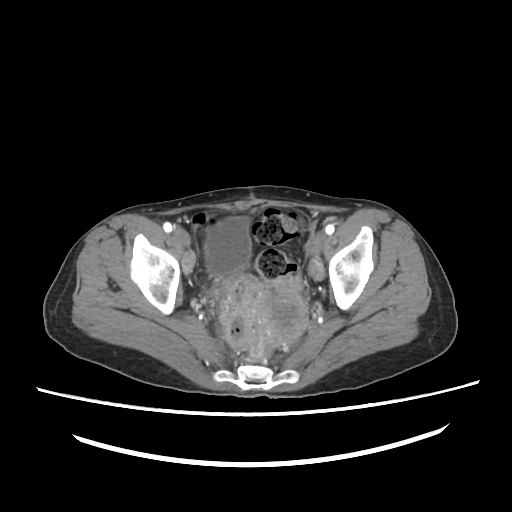
Computed tomography, abdomen — axial plane, index 17
{"organs":{"bladder":[204,216,250,276],"prostate/uterus":[250,275,307,345]}}